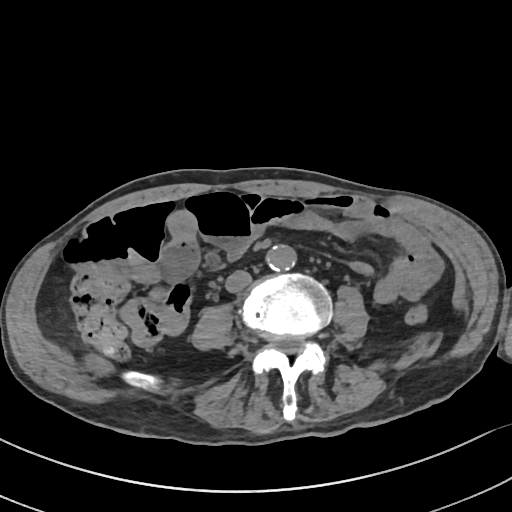
CT abdomen; axial view; W/L 400/40 HU; 512x512 px; acquired on SOMATOM Force
{"organs":{"aorta":[266,244,295,270],"inferior vena cava":[225,271,252,293]}}